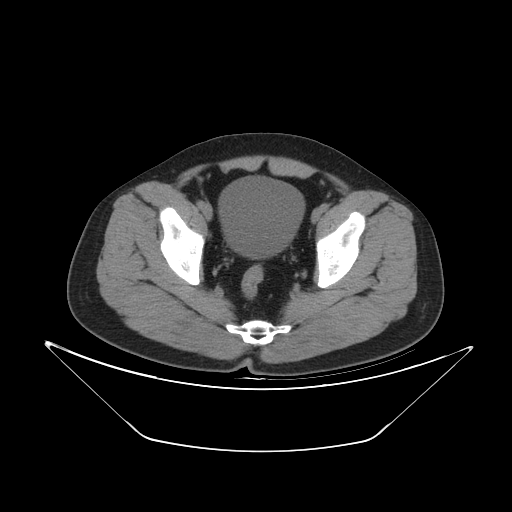
CT abdomen — axial view — W/L 400/40 HU — 512x512 px — 41-year-old male patient
<organs><organ name="bladder" x1="219" y1="176" x2="304" y2="258"/></organs>